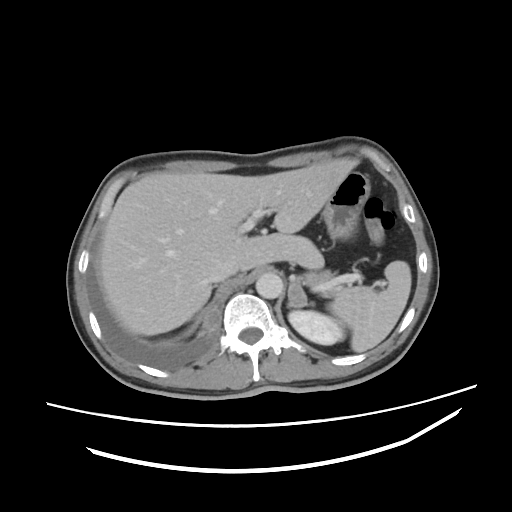

Abdominal CT — axial plane, index 75 — 512x512 px — 49-year-old male patient
Bounding boxes in pixels, one row per box: x1, y1 is the top-left corner and x2, y2 the bottom-right.
| organ | x1 | y1 | x2 | y2 |
|---|---|---|---|---|
| spleen | 327 | 260 | 411 | 352 |
| left kidney | 288 | 310 | 344 | 344 |
| liver | 100 | 158 | 355 | 335 |
| stomach | 322 | 171 | 370 | 239 |
| aorta | 256 | 272 | 283 | 299 |
| inferior vena cava | 209 | 261 | 235 | 282 |
| pancreas | 298 | 270 | 333 | 284 |
| left adrenal gland | 287 | 283 | 310 | 307 |